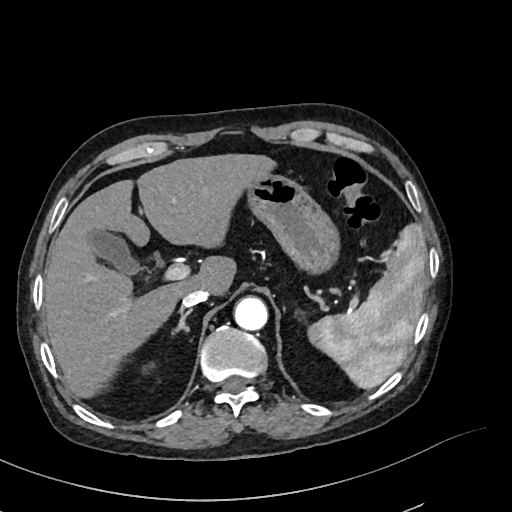
Computed tomography, abdomen · axial view
{"organs":{"spleen":[310,223,427,388],"gall bladder":[86,229,138,274],"liver":[43,153,272,396],"stomach":[247,171,337,270],"aorta":[234,296,267,330],"inferior vena cava":[182,288,209,306],"right adrenal gland":[174,308,192,334]}}